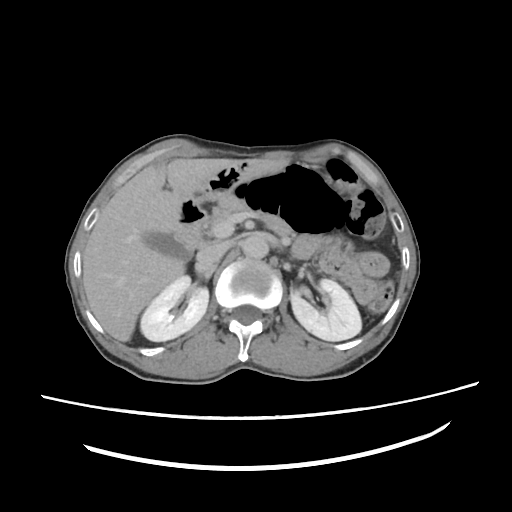 Computed tomography, abdomen; axial view; Aquilion ONE scanner
{"organs":{"left kidney":[291,278,361,341],"liver":[82,158,233,343],"right kidney":[140,277,208,341],"aorta":[241,235,269,258],"inferior vena cava":[195,242,227,266],"gall bladder":[145,234,191,260],"stomach":[197,159,288,202],"left adrenal gland":[291,257,292,258],"pancreas":[200,196,248,245],"duodenum":[175,198,206,248]}}